Computed tomography, abdomen · axial plane, index 16 · W/L 400/40 HU · 15 organs annotated in this scan (counted over the whole 3D scan, not this slice; an organ is boxed only where this slice passes through it)
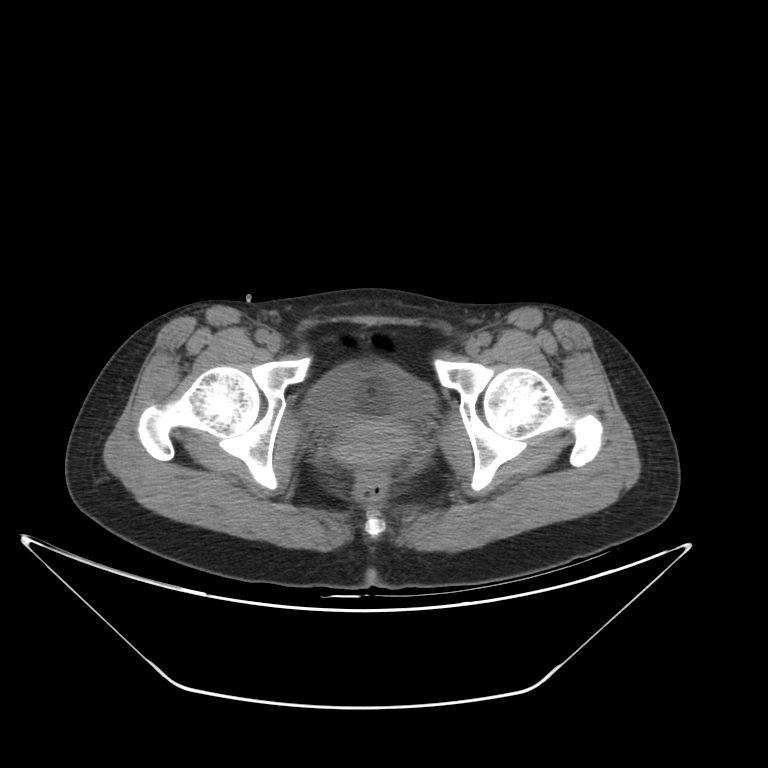
{"organs":{"bladder":[300,364,435,426],"prostate/uterus":[331,419,415,469]}}